Chest-level slice from an abdominal CT that extends up into the chest. axial view. soft-tissue window (W 400 / L 40)
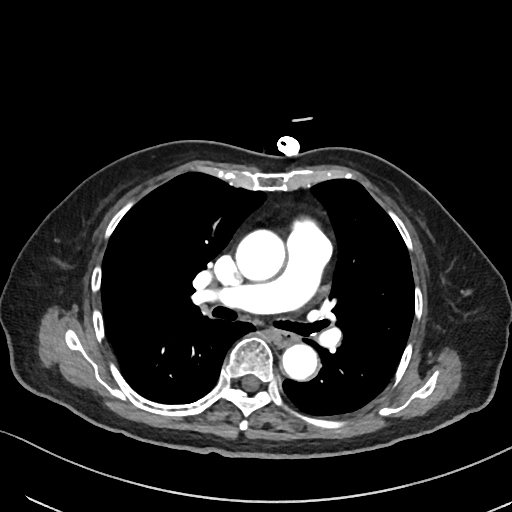
At this level of the chest this dataset labels only the esophagus and the aorta, and each is boxed only where it is labeled; the heart and lungs are never labeled.
{"organs":{"aorta":[[235,229,285,281],[282,344,317,380]],"esophagus":[271,330,294,345]}}